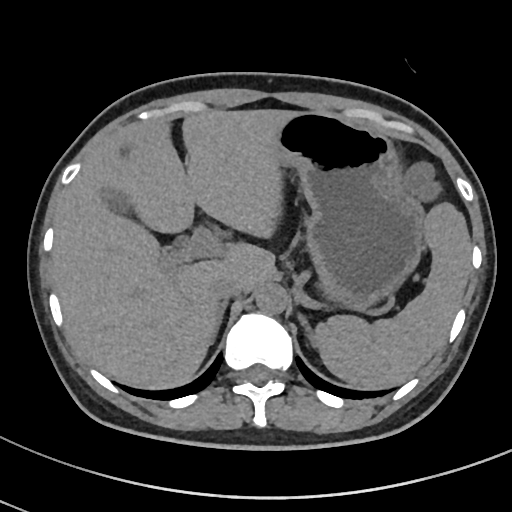

Computed tomography, abdomen · axial view · soft-tissue window (W 400 / L 40) · scan has 15 labeled organs (that count is for the whole scan; organs this slice misses have no box)
<organs><organ name="spleen" x1="315" y1="203" x2="471" y2="388"/><organ name="gall bladder" x1="101" y1="188" x2="131" y2="213"/><organ name="liver" x1="52" y1="109" x2="293" y2="388"/><organ name="stomach" x1="275" y1="111" x2="422" y2="310"/><organ name="aorta" x1="255" y1="283" x2="288" y2="314"/><organ name="inferior vena cava" x1="210" y1="274" x2="245" y2="299"/><organ name="right adrenal gland" x1="213" y1="300" x2="228" y2="340"/><organ name="left adrenal gland" x1="298" y1="314" x2="316" y2="345"/></organs>